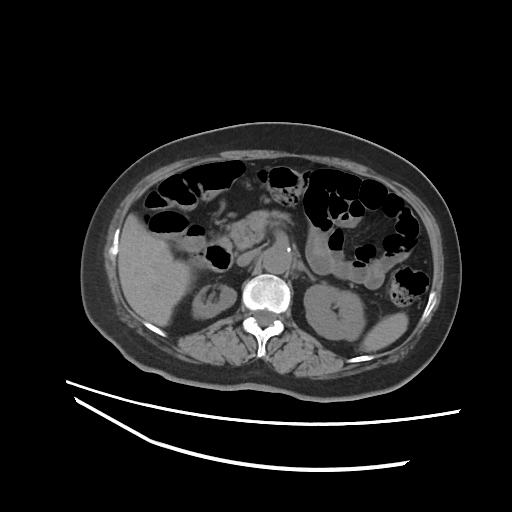 CT abdomen. axial view. soft-tissue window (W 400 / L 40). 57-year-old female patient
Bounding boxes as [x1, y1, x2, y2] in pixel coordinates. Labeled organs on this slice: spleen at [360, 312, 408, 352], right kidney at [192, 286, 236, 318], left kidney at [304, 284, 365, 340], liver at [118, 214, 192, 326], aorta at [263, 247, 290, 273], inferior vena cava at [237, 248, 259, 266], pancreas at [228, 210, 291, 249], left adrenal gland at [298, 261, 315, 280], duodenum at [202, 236, 233, 271].